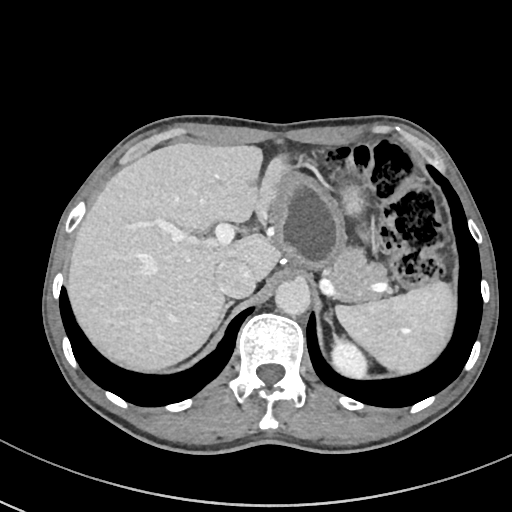

Computed tomography, abdomen · axial plane, index 168 · acquired on SOMATOM Force
Bounding boxes as [x1, y1, x2, y2] in pixel coordinates. 8 labeled organs on this slice — spleen at [336, 280, 457, 373]; left kidney at [329, 340, 368, 378]; liver at [68, 142, 365, 370]; stomach at [272, 171, 346, 268]; aorta at [275, 279, 311, 316]; inferior vena cava at [214, 258, 255, 297]; pancreas at [325, 247, 388, 303]; right adrenal gland at [216, 302, 230, 325].